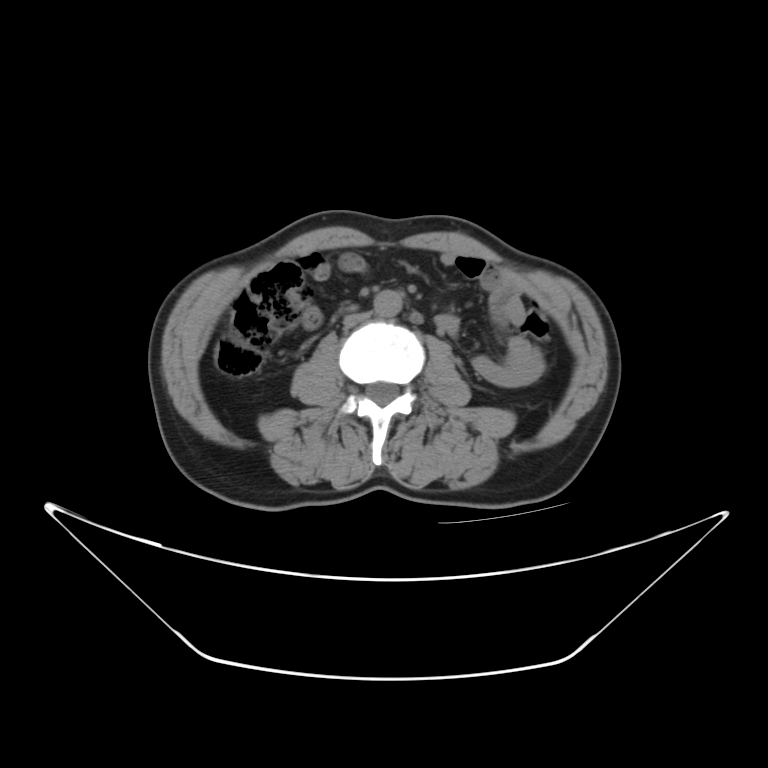 Abdominal CT — axial view — acquired on Brilliance16
{"organs":{"aorta":[376,289,402,317],"inferior vena cava":[343,311,372,326]}}